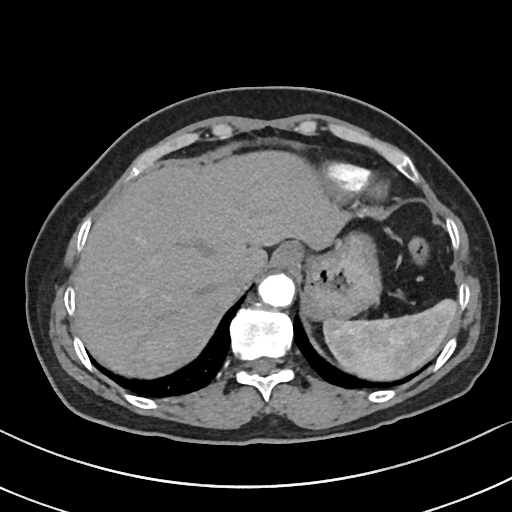

CT, abdomen/pelvis — axial view — acquired on SOMATOM Force — scan has 15 labeled organs (counted over the whole 3D scan, not this slice; an organ is boxed only where this slice passes through it)
Bounding boxes as [x1, y1, x2, y2] in pixel coordinates.
spleen: [323, 299, 457, 380]
esophagus: [271, 242, 302, 270]
liver: [74, 151, 346, 378]
stomach: [306, 231, 381, 318]
aorta: [258, 274, 294, 306]
inferior vena cava: [224, 261, 258, 286]